Abdominal CT. axial view. 512x512 px. 61-year-old female patient. acquired on Aquilion ONE
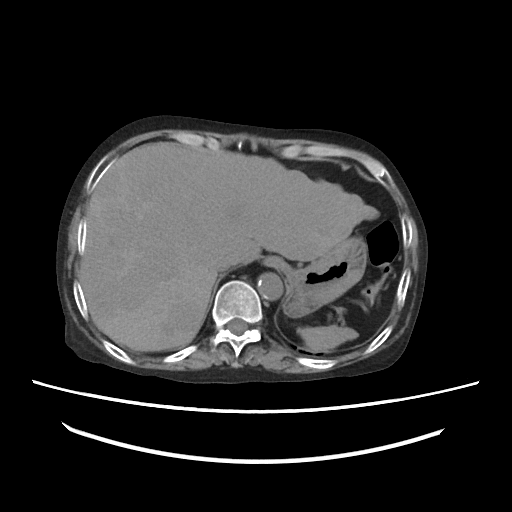
Box edges are left/top/right/bottom in pixels. 6 labeled organs on this slice — inferior vena cava at left=212, top=250, right=238, bottom=271; liver at left=80, top=142, right=378, bottom=351; esophagus at left=262, top=255, right=283, bottom=267; aorta at left=257, top=272, right=282, bottom=300; spleen at left=298, top=325, right=357, bottom=351; stomach at left=277, top=237, right=367, bottom=317.